Abdominal CT · axial plane, index 195 · W/L 400/40 HU
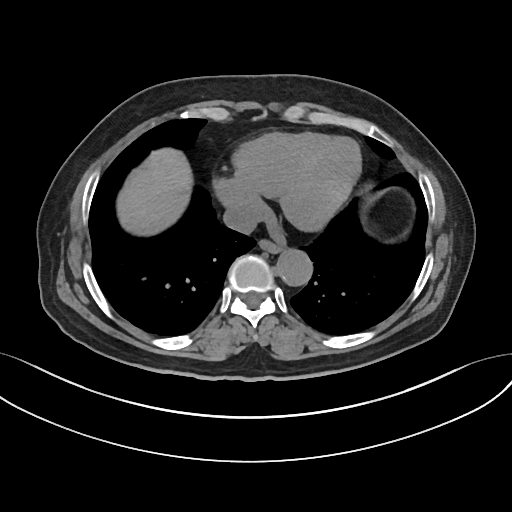 <organs><organ name="liver" x1="116" y1="148" x2="192" y2="235"/><organ name="esophagus" x1="259" y1="239" x2="283" y2="253"/><organ name="aorta" x1="276" y1="249" x2="312" y2="286"/><organ name="inferior vena cava" x1="223" y1="205" x2="258" y2="233"/></organs>